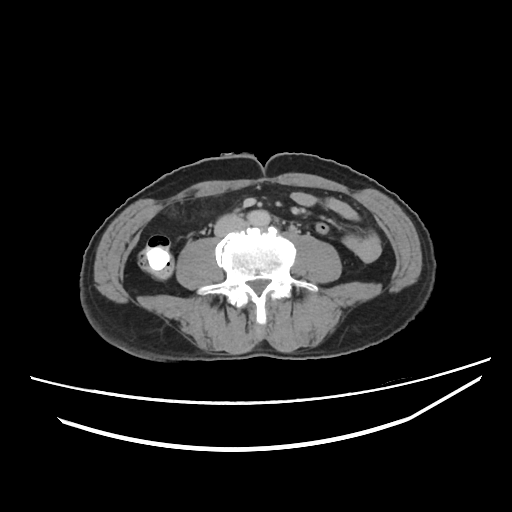

CT, abdomen/pelvis; Axial slice 57/104; soft-tissue window (W 400 / L 40); 58-year-old male patient; scan has 15 labeled organs (counted over the whole 3D scan, not this slice; an organ is boxed only where this slice passes through it)
Boxes: x1 y1 x2 y2 (pixel coords, space-separated).
Organ bounding boxes:
- aorta: 247 209 270 226
- inferior vena cava: 214 216 245 235